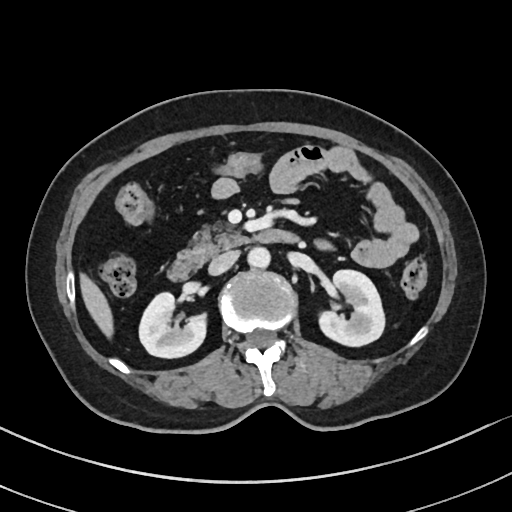 Computed tomography, abdomen — axial plane, index 152
Boxes are (x1, y1, x2, y2) in pixels. The annotated organs in this slice are: pancreas at (176, 224, 245, 264), right kidney at (139, 293, 207, 358), liver at (81, 274, 113, 335), inferior vena cava at (208, 251, 238, 275), left kidney at (317, 270, 383, 346), aorta at (247, 247, 270, 268), duodenum at (165, 229, 300, 281).